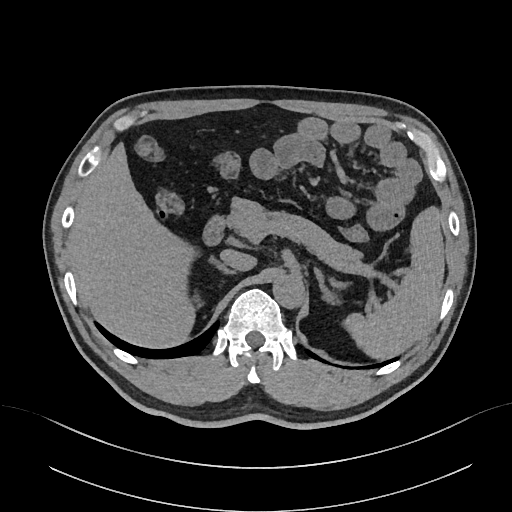
Computed tomography, abdomen. axial view. soft-tissue window. 512x512 px. acquired on SOMATOM Force
Organ boxes in pixel coordinates; each row gives the top-left (x1, y1) and bottom-right (x2, y2) corners.
| organ | x1 | y1 | x2 | y2 |
|---|---|---|---|---|
| spleen | 343 | 206 | 444 | 359 |
| liver | 68 | 142 | 197 | 347 |
| aorta | 272 | 276 | 304 | 308 |
| inferior vena cava | 220 | 249 | 256 | 270 |
| pancreas | 226 | 197 | 362 | 262 |
| right adrenal gland | 193 | 258 | 235 | 308 |
| left adrenal gland | 314 | 267 | 338 | 304 |
| duodenum | 202 | 215 | 226 | 245 |